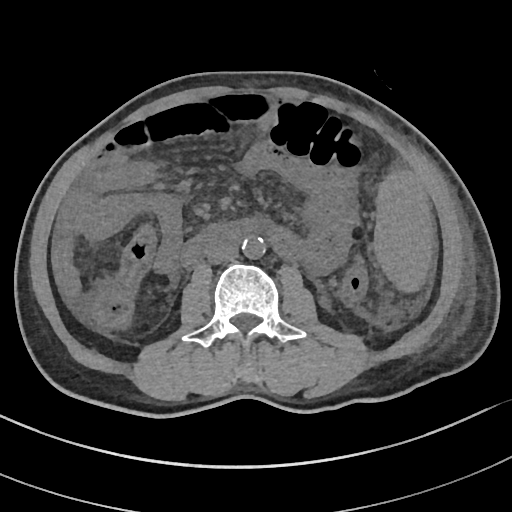

Abdominal CT; Axial slice 111/206; acquired on SOMATOM Force; 15 organs annotated in this scan (that count is for the whole scan; organs this slice misses have no box)
<organs><organ name="spleen" x1="374" y1="172" x2="433" y2="289"/><organ name="left kidney" x1="320" y1="297" x2="330" y2="306"/><organ name="aorta" x1="241" y1="235" x2="265" y2="258"/><organ name="inferior vena cava" x1="206" y1="243" x2="237" y2="264"/><organ name="duodenum" x1="183" y1="222" x2="252" y2="265"/></organs>